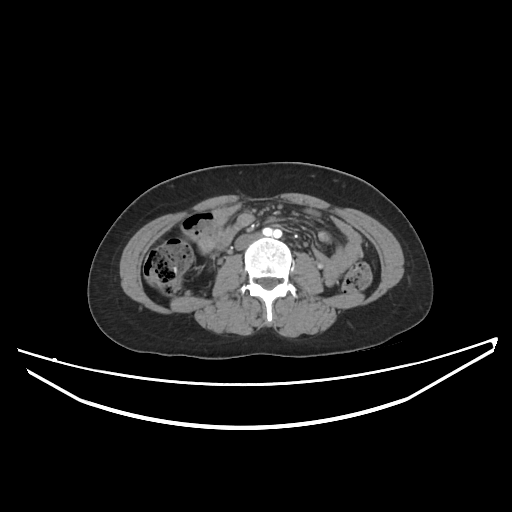

CT abdomen; axial view
{"organs":{"inferior vena cava":[234,234,258,250]}}